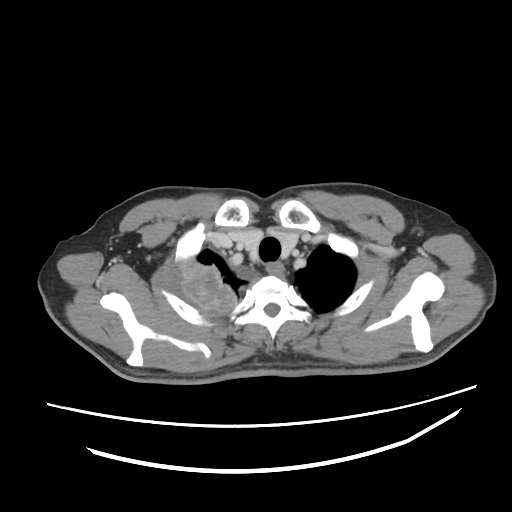 Chest-level CT slice, above the liver and spleen — axial view — 49-year-old male patient — 15 organs annotated in this scan (that count is for the whole scan; organs this slice misses have no box)
At this level of the chest this dataset labels only the esophagus and the aorta, and each is boxed only where it is labeled; the heart and lungs are never labeled.
One row per box, in pixels: columns x1 and y1 give the top-left corner, x2 and y2 the bottom-right.
| organ | x1 | y1 | x2 | y2 |
|---|---|---|---|---|
| esophagus | 267 | 262 | 284 | 276 |